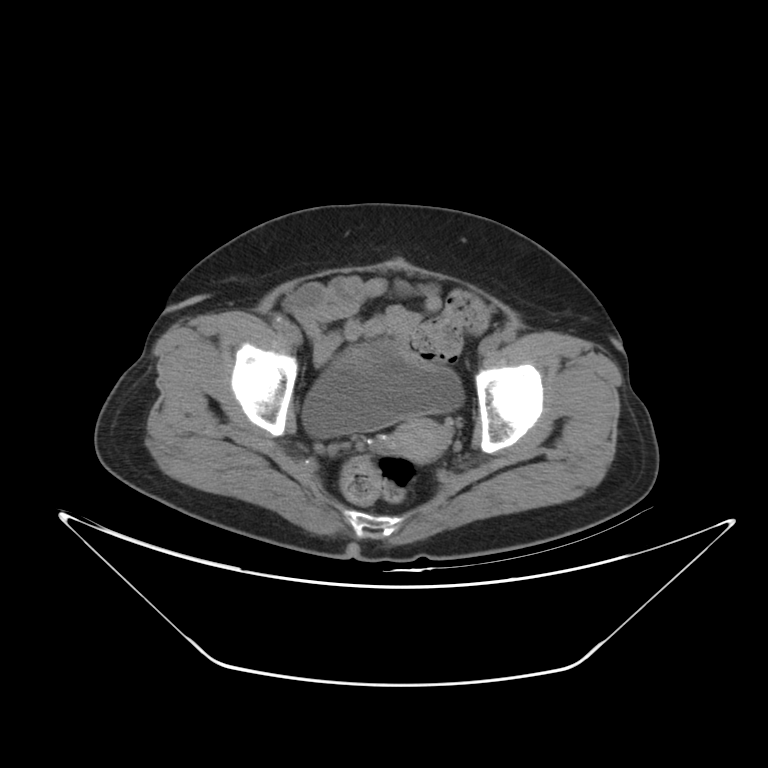 CT, abdomen/pelvis; axial view; 768x768 px; 66-year-old female patient
Organ boxes in pixel coordinates; each row gives the top-left (x1, y1) and bottom-right (x2, y2) corners.
| organ | x1 | y1 | x2 | y2 |
|---|---|---|---|---|
| bladder | 302 | 345 | 464 | 438 |
| prostate/uterus | 385 | 418 | 450 | 462 |